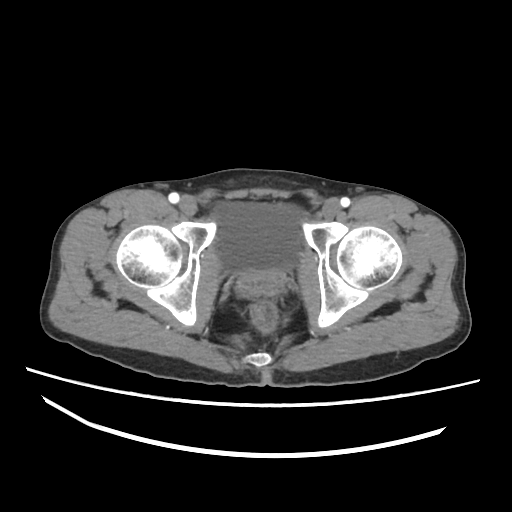

Computed tomography, abdomen. Axial slice 22/140. soft-tissue window. 512x512 px. 40-year-old male patient
Boxes are (x1, y1, x2, y2) in pixels.
Organ bounding boxes:
- prostate/uterus: (239, 269, 283, 293)
- bladder: (213, 202, 304, 271)